Abdominal CT — axial plane, index 53
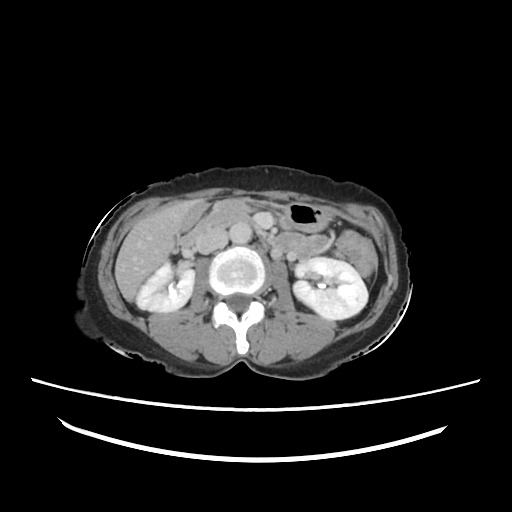

Each box given as x1,y1,x2,y2.
inferior vena cava: x1=195, y1=228, x2=227, y2=254
aorta: x1=234, y1=229, x2=252, y2=243
right kidney: x1=136, y1=259, x2=194, y2=312
pancreas: x1=213, y1=200, x2=256, y2=220
stomach: x1=184, y1=202, x2=326, y2=232
liver: x1=115, y1=197, x2=206, y2=302
left kidney: x1=229, y1=222, x2=369, y2=320
duodenum: x1=181, y1=213, x2=229, y2=245
gall bladder: x1=171, y1=230, x2=179, y2=252